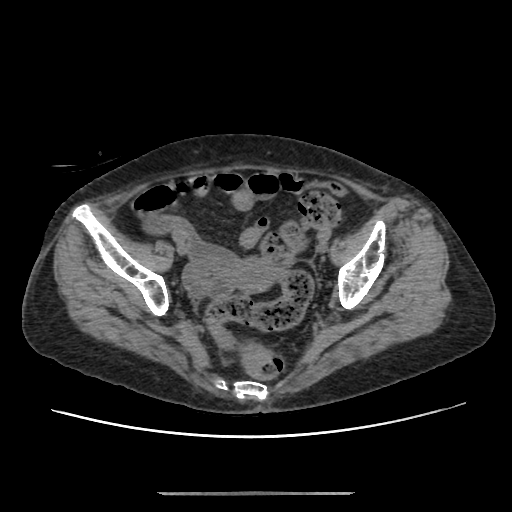

CT abdomen. Axial slice 91/353. 512x512 px
{"organs":{"prostate/uterus":[222,257,282,292]}}